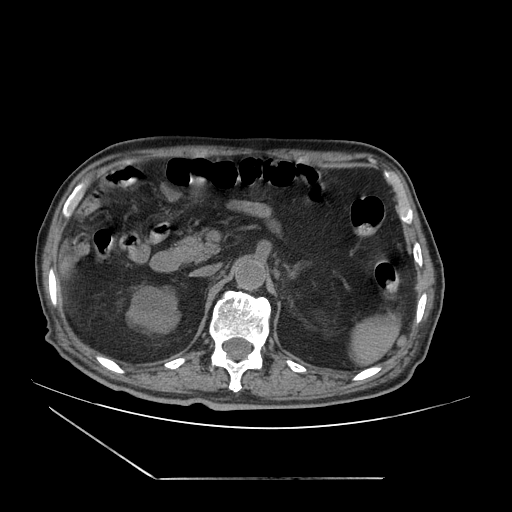 Computed tomography, abdomen — axial plane, index 132 — 512x512 px — acquired on SOMATOM Force
Boxes are (x1, y1, x2, y2) in pixels. The annotated organs in this slice are: spleen at (350, 315, 400, 365), right kidney at (126, 286, 179, 332), aorta at (234, 257, 265, 289), inferior vena cava at (191, 264, 219, 276), pancreas at (172, 235, 219, 262), left adrenal gland at (285, 265, 297, 278), duodenum at (150, 251, 180, 272).